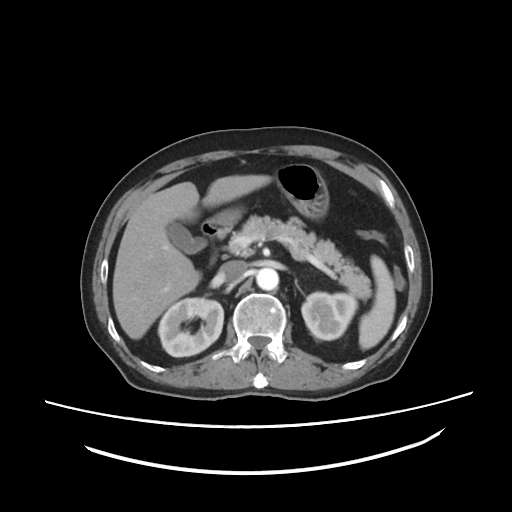
Computed tomography, abdomen — axial plane, index 66 — soft-tissue window — 512x512 px
<organs><organ name="gall bladder" x1="166" y1="221" x2="206" y2="253"/><organ name="aorta" x1="256" y1="268" x2="278" y2="290"/><organ name="stomach" x1="207" y1="164" x2="328" y2="229"/><organ name="pancreas" x1="231" y1="215" x2="370" y2="299"/><organ name="right kidney" x1="158" y1="298" x2="223" y2="356"/><organ name="inferior vena cava" x1="218" y1="260" x2="246" y2="281"/><organ name="left kidney" x1="301" y1="292" x2="357" y2="340"/><organ name="duodenum" x1="201" y1="221" x2="228" y2="237"/><organ name="liver" x1="112" y1="174" x2="271" y2="339"/><organ name="spleen" x1="359" y1="255" x2="395" y2="349"/></organs>